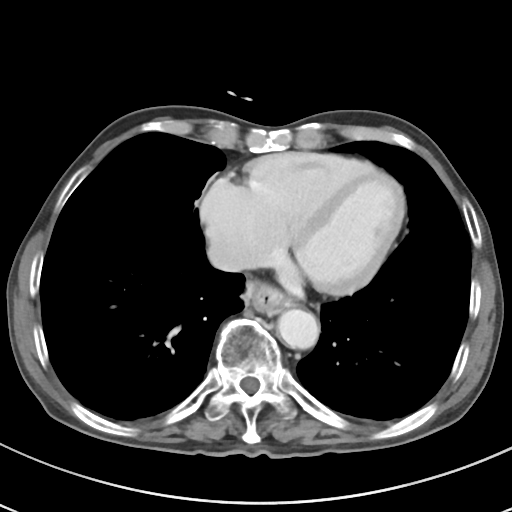 CT of the abdomen reaching into the lower chest, slice just above the liver and spleen — axial view — soft-tissue window — 512x512 px
No part of the heart or lungs is labeled in this dataset, so neither has a box here. Boxes: x1 y1 x2 y2 (pixel coords, space-separated). 3 labeled organs on this slice — esophagus at 245 282 293 314; aorta at 277 309 319 349; inferior vena cava at 207 240 247 271.